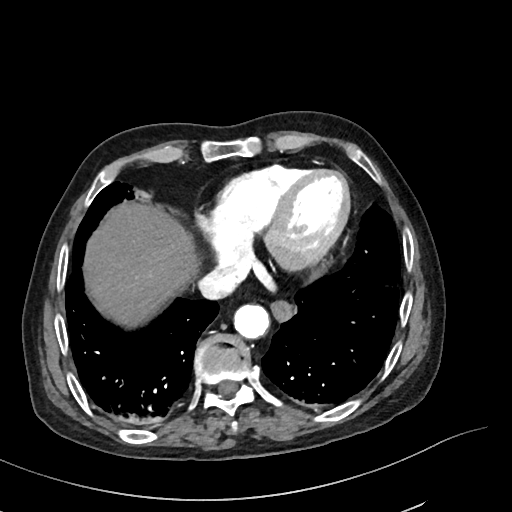

CT, abdomen/pelvis. axial view. 512x512 px. 15 organs annotated in this scan (that count is for the whole scan; organs this slice misses have no box)
{"organs":{"inferior vena cava":[198,266,240,299],"esophagus":[270,302,292,320],"aorta":[233,304,269,339],"liver":[84,204,195,325]}}